Computed tomography, abdomen; Axial slice 62/91; 768x768 px
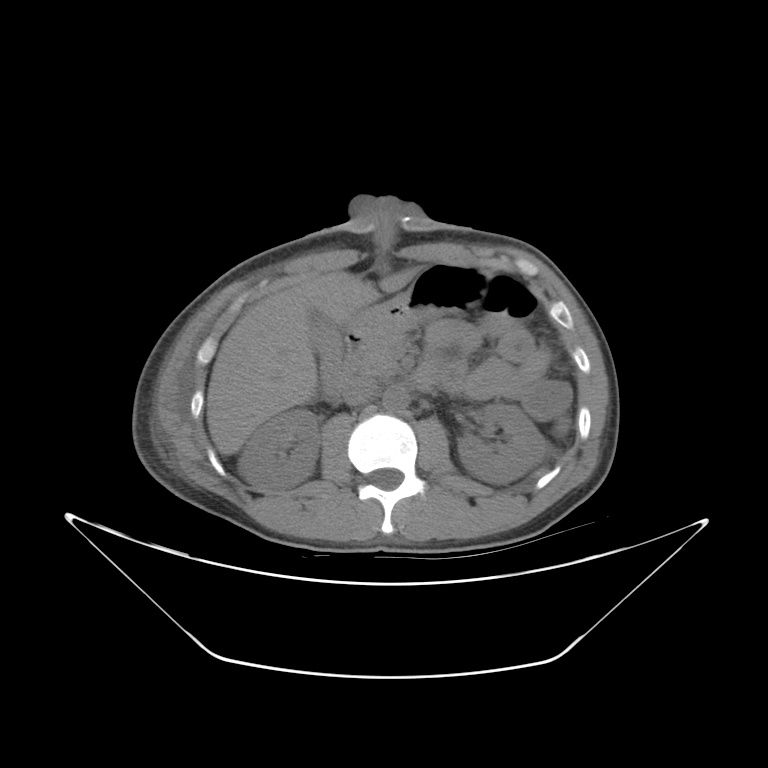 Bounding boxes as [x1, y1, x2, y2] in pixel coordinates.
inferior vena cava: [342, 375, 378, 405]
spleen: [555, 417, 570, 434]
right kidney: [238, 409, 319, 492]
aorta: [382, 385, 409, 411]
pancreas: [356, 333, 404, 375]
liver: [207, 267, 419, 454]
stomach: [347, 262, 488, 343]
left kidney: [458, 403, 547, 483]
duodenum: [341, 335, 438, 389]
gall bladder: [309, 311, 343, 396]